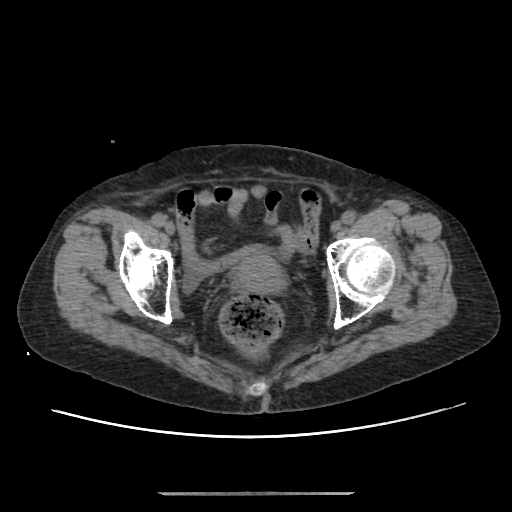
CT, abdomen/pelvis; Axial slice 67/353; soft-tissue window (W 400 / L 40); 512x512 px; SOMATOM Force scanner; 14 organs annotated in this scan (that count is for the whole scan; organs this slice misses have no box)
{"organs":{"prostate/uterus":[233,250,284,292]}}